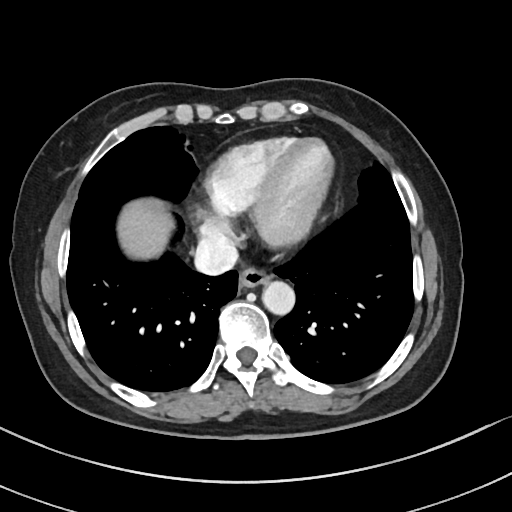 Computed tomography, abdomen — axial view — SOMATOM Force scanner
Boxes: x1 y1 x2 y2 (pixel coords, space-separated).
esophagus: 239 265 271 287
aorta: 261 280 294 313
inferior vena cava: 193 236 239 276
liver: 120 201 171 258